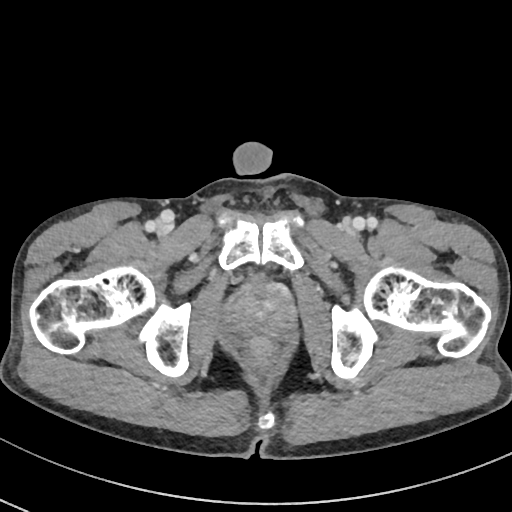

Computed tomography, abdomen. axial view. W/L 400/40 HU. 15 organs annotated in this scan (a whole-scan count: organs this slice does not pass through have no box)
<organs><organ name="prostate/uterus" x1="228" y1="283" x2="295" y2="337"/></organs>